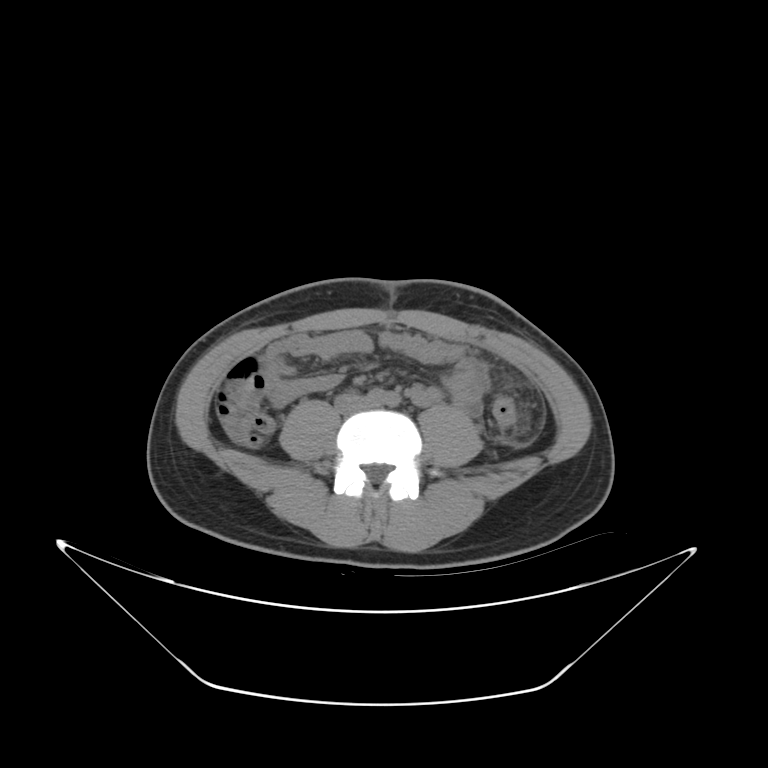

Computed tomography, abdomen — axial view — 15 organs annotated in this scan (that count is for the whole scan; organs this slice misses have no box)
<organs><organ name="inferior vena cava" x1="332" y1="394" x2="367" y2="411"/></organs>